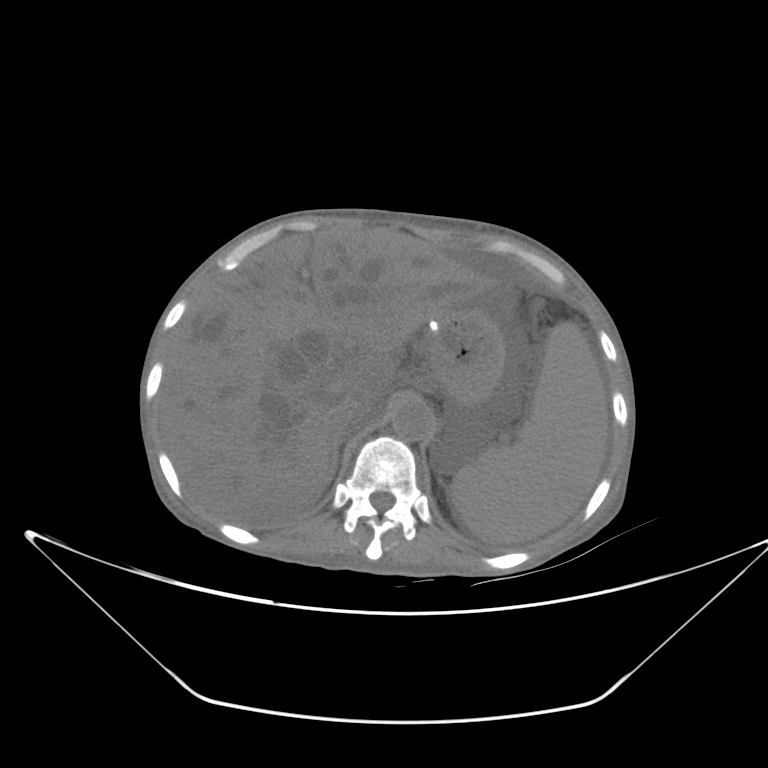
Computed tomography, abdomen. axial plane, index 80. soft-tissue window. 768x768 px. Brilliance16 scanner. 15 organs annotated in this scan (counted over the whole 3D scan, not this slice; an organ is boxed only where this slice passes through it)
<organs><organ name="spleen" x1="448" y1="321" x2="609" y2="544"/><organ name="stomach" x1="424" y1="302" x2="505" y2="408"/><organ name="aorta" x1="392" y1="400" x2="433" y2="441"/><organ name="inferior vena cava" x1="331" y1="404" x2="376" y2="440"/><organ name="right adrenal gland" x1="334" y1="450" x2="338" y2="468"/><organ name="liver" x1="158" y1="229" x2="486" y2="528"/></organs>